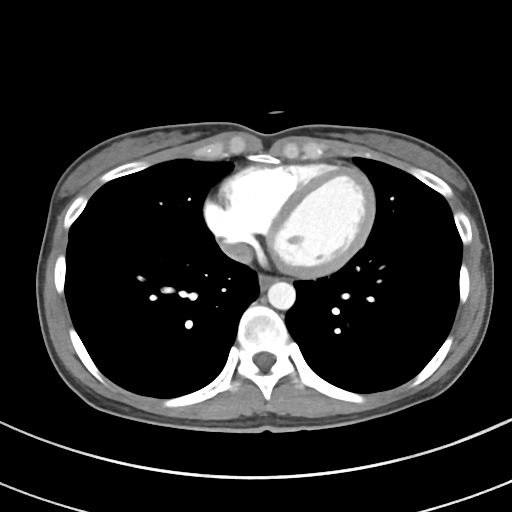
Abdominal CT; this slice is in the lower chest, just above the liver. Axial slice 82/121. W/L 400/40 HU. SOMATOM Force scanner
No part of the heart or lungs is labeled in this dataset, so neither has a box here.
Boxes are (x1, y1, x2, y2) in pixels.
Organ bounding boxes:
- inferior vena cava: (221, 241, 252, 264)
- esophagus: (258, 275, 275, 289)
- aorta: (267, 281, 295, 309)